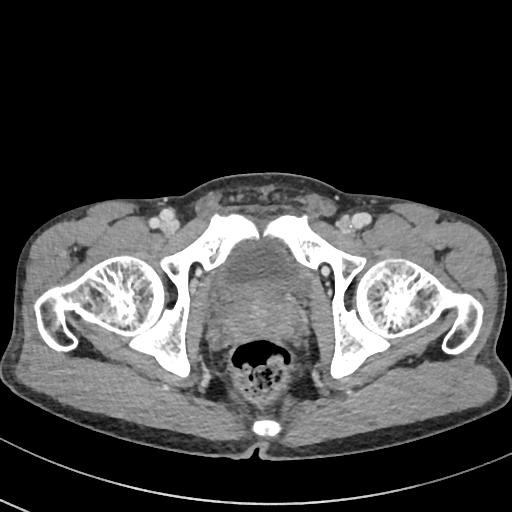 CT abdomen. axial view. abdomen soft-tissue window. 512x512 px
Box edges are left/top/right/bottom in pixels. The annotated organs in this slice are: bladder at left=216, top=237, right=303, bottom=297, prostate/uterus at left=226, top=288, right=293, bottom=338.